Abdominal CT — Axial slice 50/134 — abdomen soft-tissue window — 512x512 px — 46-year-old male patient
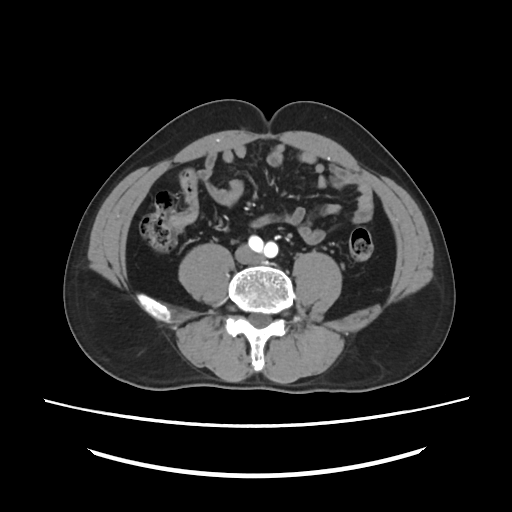

Each box given as x1,y1,x2,y2. 1 labeled organ on this slice — inferior vena cava at x1=237, y1=246, x2=260, y2=263.